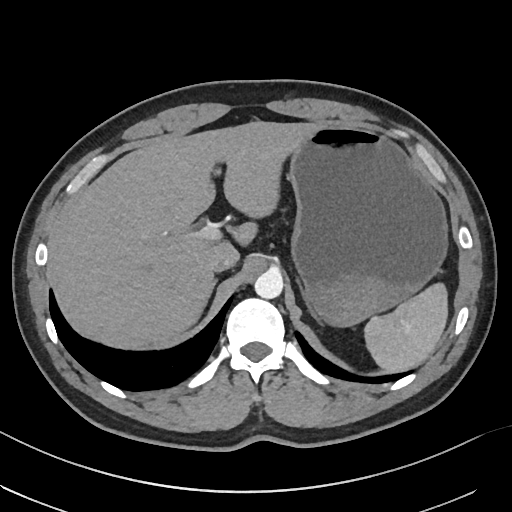
Computed tomography, abdomen; axial view; soft-tissue window
Box edges are left/top/right/bottom in pixels.
Organ bounding boxes:
- spleen: left=365, top=283, right=447, bottom=373
- liver: left=51, top=121, right=316, bottom=350
- stomach: left=287, top=125, right=447, bottom=325
- aorta: left=254, top=270, right=282, bottom=298
- inferior vena cava: left=208, top=254, right=237, bottom=271
- right adrenal gland: left=212, top=277, right=216, bottom=288
- left adrenal gland: left=296, top=276, right=322, bottom=323